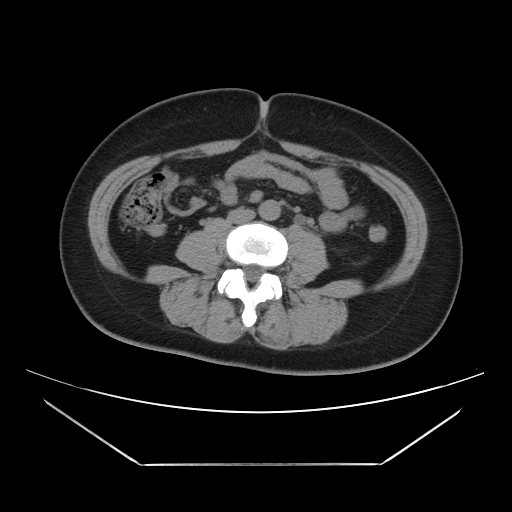

Abdominal CT; axial view; 512x512 px
Box edges are left/top/right/bottom in pixels.
Organ bounding boxes:
- aorta: left=258, top=200, right=280, bottom=220
- inferior vena cava: left=227, top=208, right=255, bottom=223